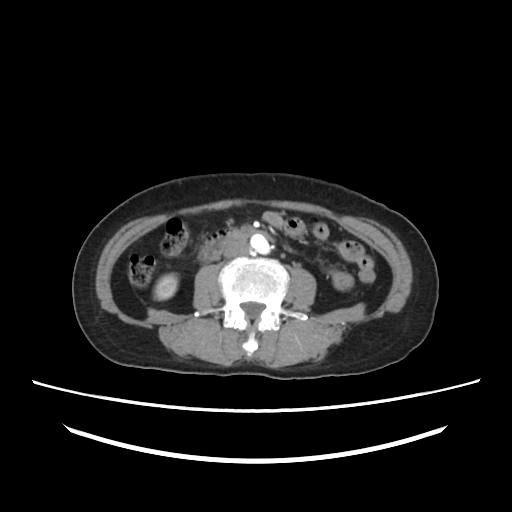 Abdominal CT. axial view. W/L 400/40 HU. Aquilion ONE scanner
Coordinates as <box>x1,y1,x2,y2</box> in pixels. 4 labeled organs on this slice — inferior vena cava at <box>223,240,250,258</box>; duodenum at <box>199,229,268,261</box>; aorta at <box>250,233,269,253</box>; right kidney at <box>154,274,177,299</box>.